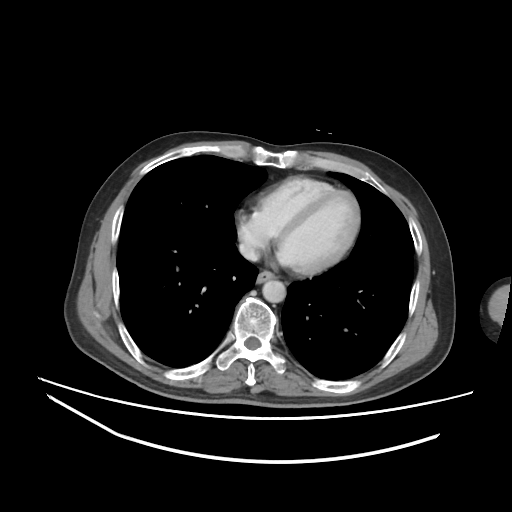

CT of the abdomen reaching into the lower chest, slice just above the liver and spleen. axial view. soft-tissue window
No part of the heart or lungs is labeled in this dataset, so neither has a box here.
Coordinates as <box>x1,y1,x2,y2</box> in pixels.
Organ bounding boxes:
- esophagus: <box>256,270,275,282</box>
- inferior vena cava: <box>239,242,259,261</box>
- aorta: <box>262,280,285,302</box>